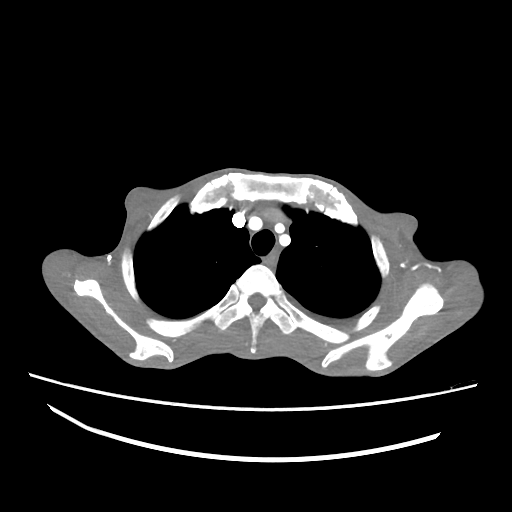

CT of the abdomen extending into the chest, slice through the chest · axial view · soft-tissue window · 512x512 px · acquired on Aquilion ONE
At this level of the chest this dataset labels only the esophagus and the aorta, and each is boxed only where it is labeled; the heart and lungs are never labeled.
Boxes: x1:y1:x2:y2 in pixels.
Organ bounding boxes:
- esophagus: 265:251:277:266